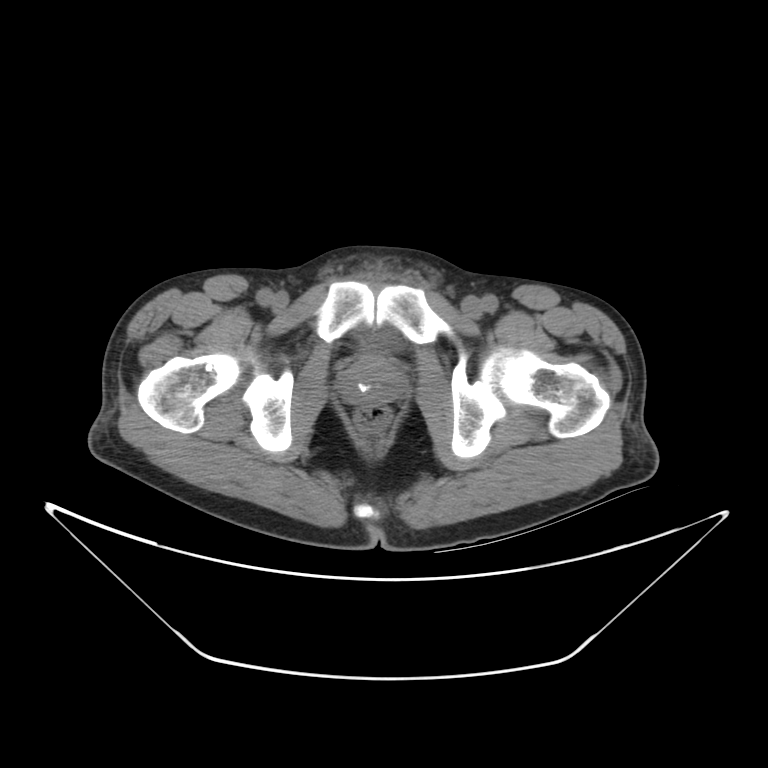

CT abdomen. axial view. W/L 400/40 HU. 59-year-old male patient
{"organs":{"prostate/uterus":[339,360,404,406],"bladder":[359,334,391,352]}}